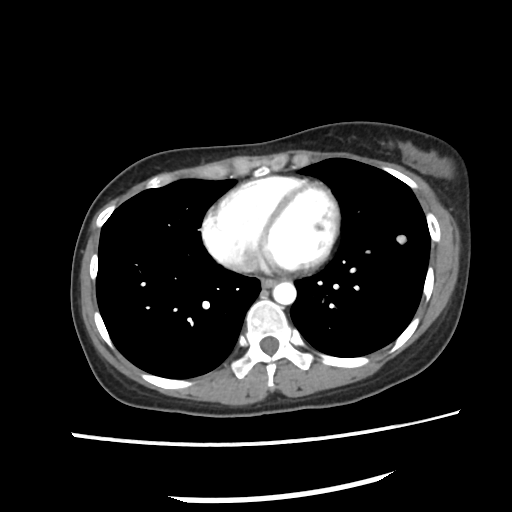
Lower-chest slice from an abdominal CT, just above the liver and spleen · Axial slice 89/124 · 34-year-old female patient · 15 organs annotated in this scan (a whole-scan count: organs this slice does not pass through have no box)
The heart and lungs are never labeled in this dataset, so they have no box on this slice. Boxes: x1:y1:x2:y2 in pixels. 2 labeled organs on this slice — esophagus at 262:278:276:287; aorta at 273:282:295:304.